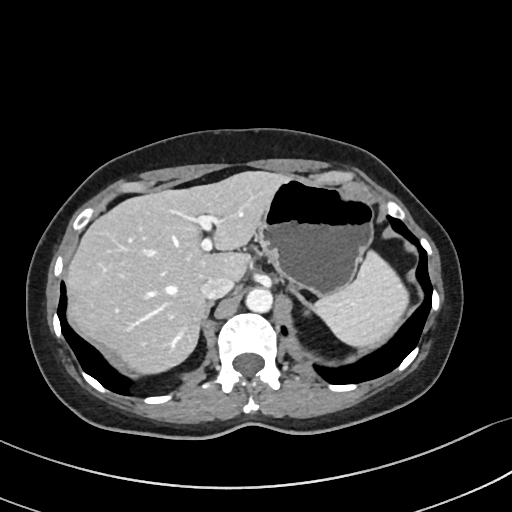 Abdominal CT; axial view; 15 organs annotated in this scan (a whole-scan count: organs this slice does not pass through have no box)
Boxes are (x1, y1, x2, y2) in pixels.
Organ bounding boxes:
- spleen: (310, 250, 407, 345)
- liver: (67, 171, 289, 373)
- stomach: (256, 177, 373, 295)
- aorta: (245, 288, 273, 312)
- inferior vena cava: (200, 279, 233, 299)
- right adrenal gland: (200, 301, 213, 326)
- left adrenal gland: (289, 286, 308, 307)